Chest-level slice from an abdominal CT that extends up into the chest — axial plane, index 102 — soft-tissue window (W 400 / L 40) — 512x512 px — acquired on Aquilion ONE
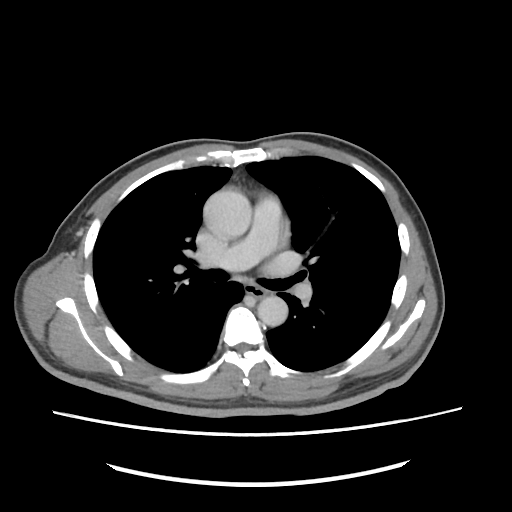

At this level of the chest no structure but the esophagus and the aorta has a label in this dataset, and those two are boxed only where they are labeled.
Box edges are left/top/right/bottom in pixels.
aorta: left=204, top=189, right=251, bottom=238
aorta: left=257, top=296, right=287, bottom=326
esophagus: left=249, top=287, right=272, bottom=299